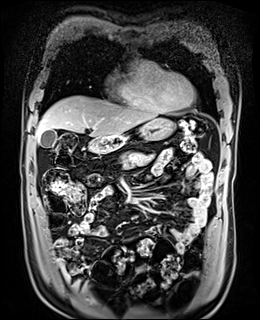

Abdominal MRI. coronal view. 1st–99th percentile window. Prisma scanner
Each box given as x1,y1,x2,y2.
gall bladder: x1=40, y1=129, x2=58, y2=147
liver: x1=35, y1=95, x2=157, y2=141
stomach: x1=102, y1=118, x2=175, y2=142
pancreas: x1=120, y1=152, x2=154, y2=168
duodenum: x1=87, y1=138, x2=124, y2=153